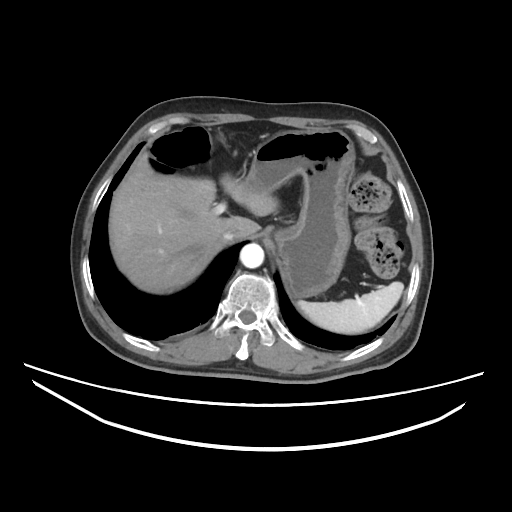 CT abdomen; axial view; soft-tissue window; acquired on Aquilion ONE
Coordinates as <box>x1,y1,x2,y2</box> in pixels.
Organ bounding boxes:
- spleen: <box>297,281,403,334</box>
- liver: <box>109,154,278,293</box>
- stomach: <box>239,129,355,297</box>
- aorta: <box>240,243,264,268</box>
- inferior vena cava: <box>220,228,241,244</box>